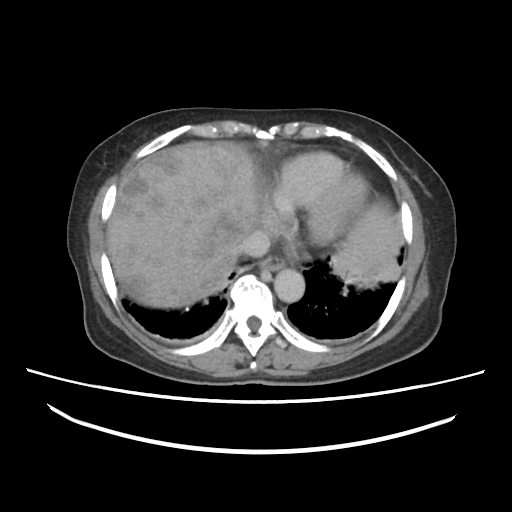

CT, abdomen/pelvis; axial view; 71-year-old female patient
Coordinates as <box>x1,y1,x2,y2</box> in pixels. The annotated organs in this slice are: esophagus at <box>258,257,284,272</box>, liver at <box>109,140,401,308</box>, aorta at <box>274,269,304,302</box>, inferior vena cava at <box>234,230,271,256</box>.